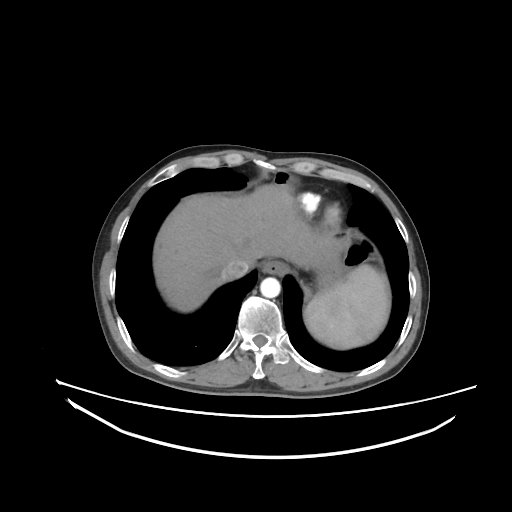
Computed tomography, abdomen; Axial slice 86/134
Coordinates as <box>x1,y1,x2,y2</box> in pixels.
spleen: <box>304,264,390,349</box>
esophagus: <box>262,260,287,274</box>
liver: <box>154,183,334,312</box>
stomach: <box>313,233,353,290</box>
aorta: <box>260,277,280,298</box>
inferior vena cava: <box>221,259,249,280</box>